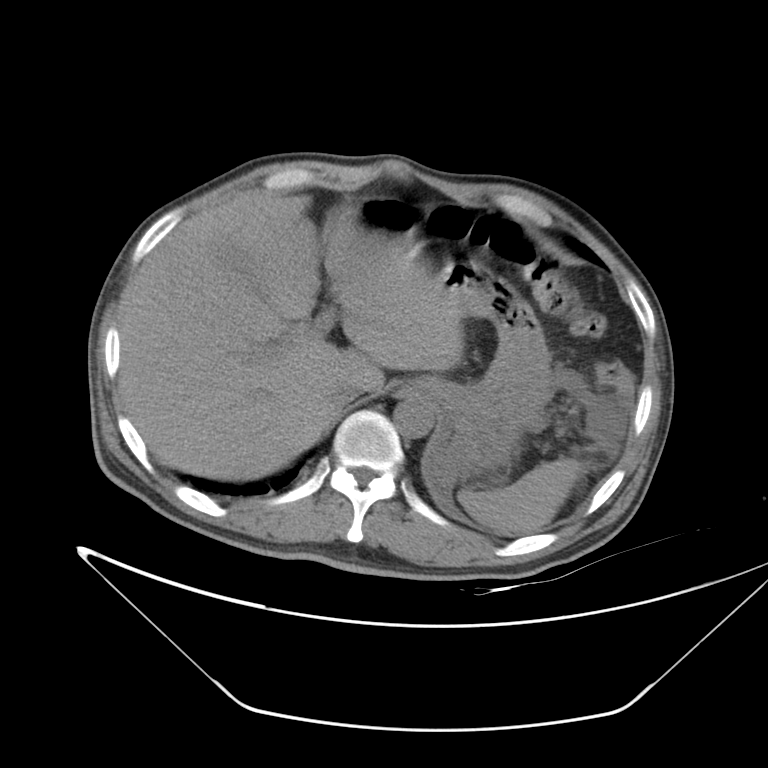

Abdominal CT — axial view — W/L 400/40 HU — acquired on Brilliance16 — 15 organs annotated in this scan (a whole-scan count: organs this slice does not pass through have no box)
Boxes are (x1, y1, x2, y2) in pixels.
Organ bounding boxes:
- spleen: (457, 458, 581, 535)
- inferior vena cava: (327, 379, 361, 408)
- liver: (118, 192, 464, 480)
- aorta: (394, 397, 433, 437)
- stomach: (412, 264, 553, 472)